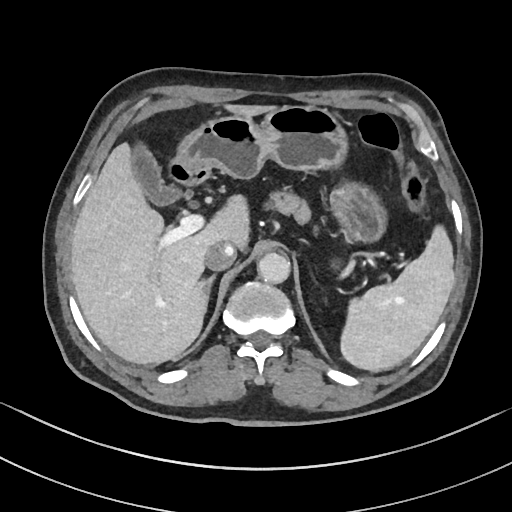
CT abdomen — axial view — 512x512 px
Each box given as x1,y1,x2,y2.
right adrenal gland: x1=206, y1=277, x2=214, y2=295
stomach: x1=173, y1=105, x2=388, y2=240
spleen: x1=339, y1=227, x2=455, y2=372
duodenum: x1=172, y1=163, x2=210, y2=184
pancreas: x1=275, y1=194, x2=308, y2=223
aorta: x1=257, y1=253, x2=290, y2=284
liver: x1=71, y1=103, x2=276, y2=364
inferior vena cava: x1=204, y1=241, x2=236, y2=270
gall bladder: x1=132, y1=146, x2=183, y2=204